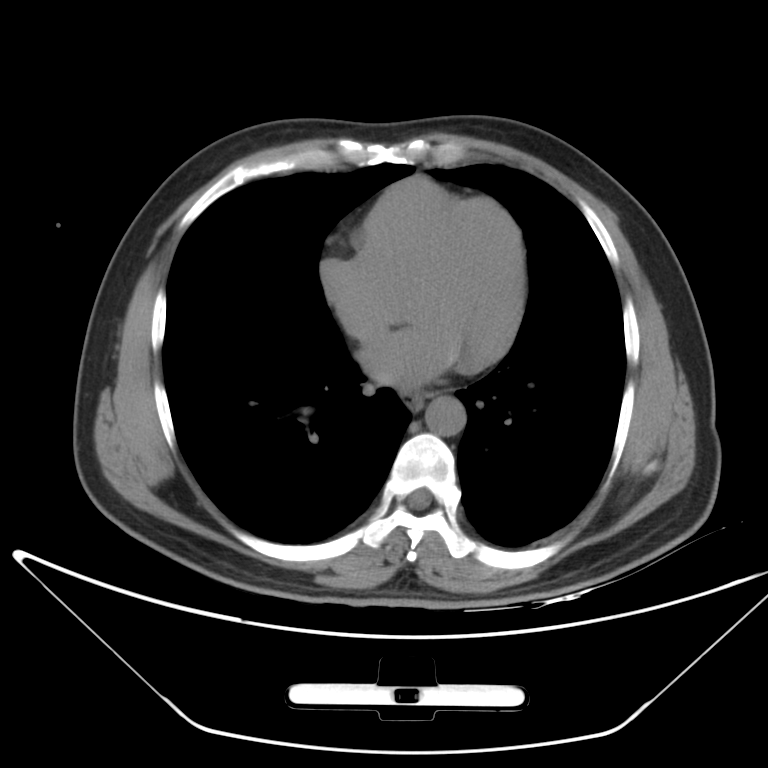
CT of the abdomen reaching into the lower chest, slice just above the liver and spleen. axial view. soft-tissue window (W 400 / L 40)
Of the structures in the chest, this dataset labels only the esophagus, the aorta and the inferior vena cava; the heart and lungs have no label.
Bounding boxes as [x1, y1, x2, y2] in pixel coordinates.
esophagus: [408, 393, 425, 408]
aorta: [426, 396, 466, 435]